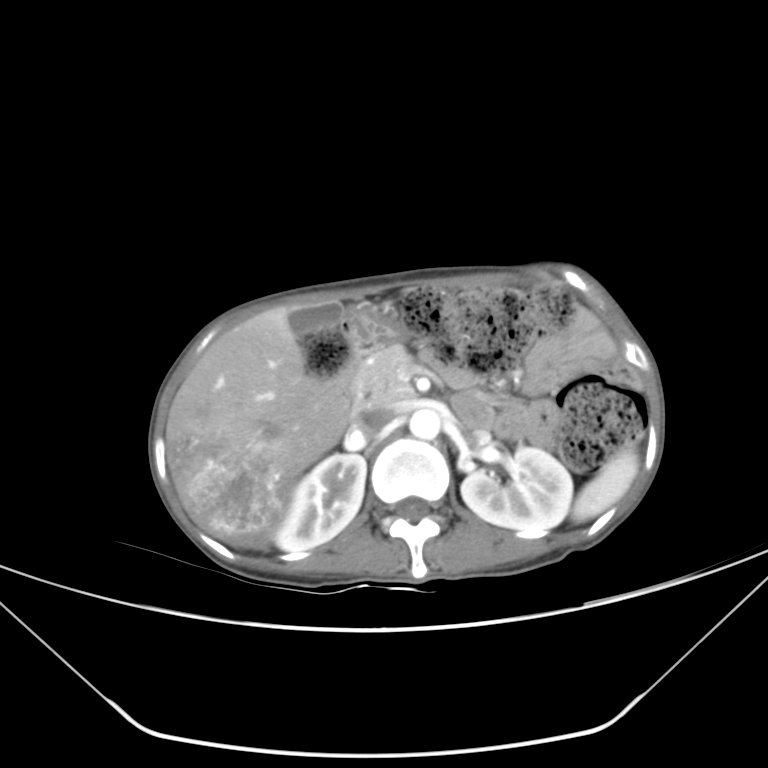

Abdominal CT · axial view · W/L 400/40 HU
<organs><organ name="spleen" x1="571" y1="447" x2="639" y2="522"/><organ name="right kidney" x1="274" y1="454" x2="366" y2="550"/><organ name="left kidney" x1="461" y1="447" x2="572" y2="534"/><organ name="gall bladder" x1="289" y1="303" x2="342" y2="339"/><organ name="liver" x1="166" y1="306" x2="347" y2="548"/><organ name="stomach" x1="343" y1="305" x2="397" y2="347"/><organ name="aorta" x1="409" y1="409" x2="440" y2="439"/><organ name="inferior vena cava" x1="351" y1="406" x2="395" y2="433"/><organ name="pancreas" x1="354" y1="344" x2="414" y2="408"/><organ name="duodenum" x1="325" y1="352" x2="359" y2="415"/></organs>